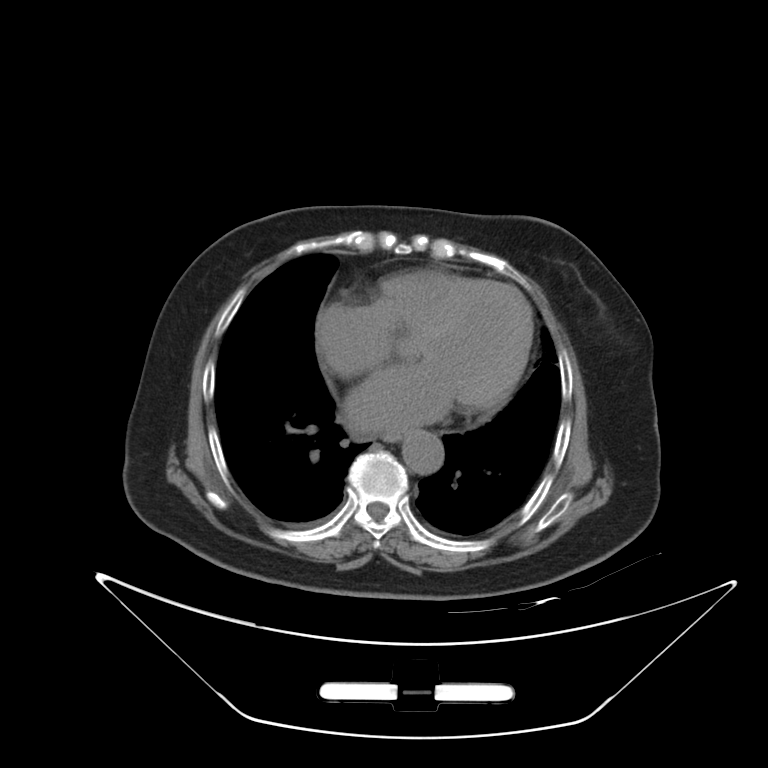 Lower-chest slice from an abdominal CT, just above the liver and spleen. axial view. soft-tissue window. 768x768 px. Brilliance16 scanner
The heart and lungs are never labeled in this dataset, so they have no box on this slice.
Boxes: x1 y1 x2 y2 (pixel coords, space-separated).
aorta: 402 430 443 474
esophagus: 382 429 409 442